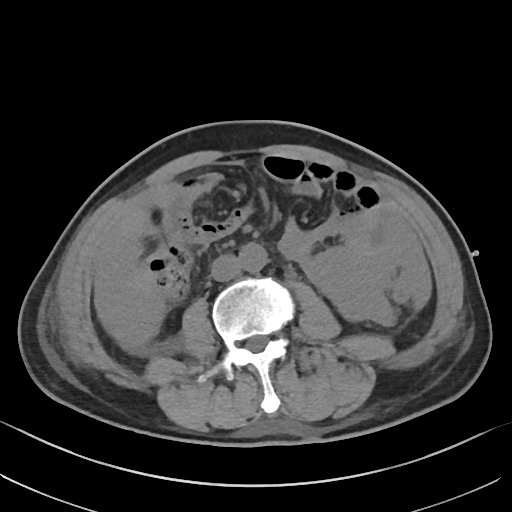
Computed tomography, abdomen; axial view
Boxes: x1:y1:x2:y2 in pixels. The annotated organs in this slice are: inferior vena cava at 210:254:241:281, aorta at 238:243:266:272.